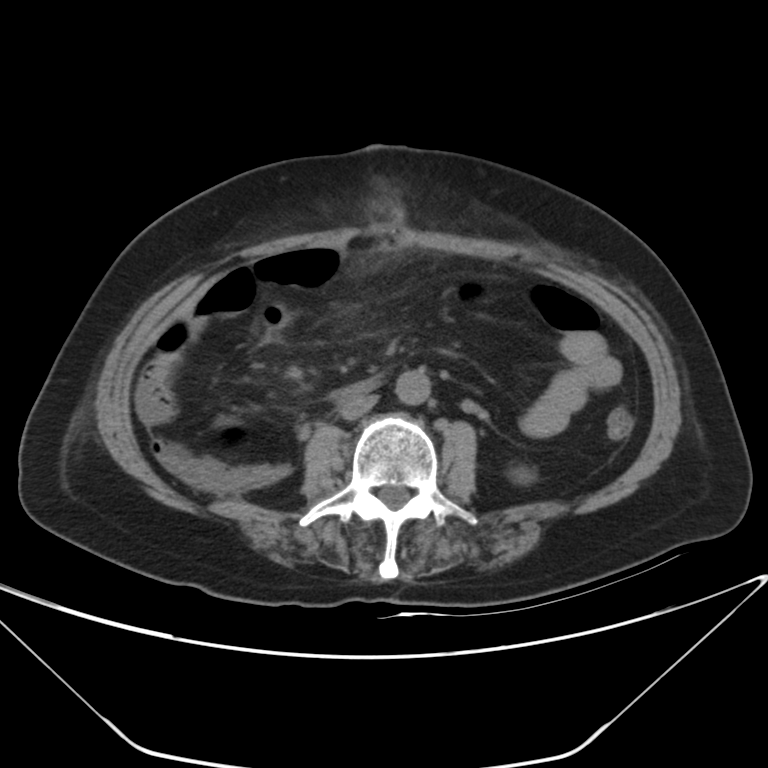 CT, abdomen/pelvis — axial view — soft-tissue window — 768x768 px — 66-year-old female patient
{"organs":{"left kidney":[511,468,532,483],"aorta":[395,369,430,404],"inferior vena cava":[339,394,377,419],"duodenum":[339,378,376,396]}}